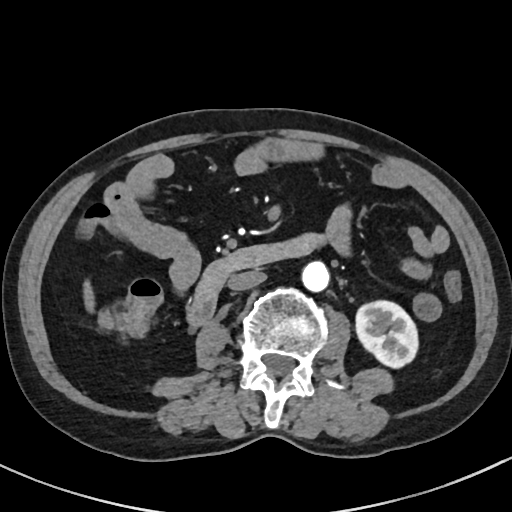

Abdominal CT — Axial slice 131/303 — W/L 400/40 HU — acquired on SOMATOM Force — scan has 15 labeled organs (counted over the whole 3D scan, not this slice; an organ is boxed only where this slice passes through it)
Boxes: x1:y1:x2:y2 in pixels.
Organ bounding boxes:
- left kidney: 355:299:419:369
- liver: 83:283:95:310
- aorta: 302:262:329:292
- inferior vena cava: 228:271:266:291
- duodenum: 185:232:322:329